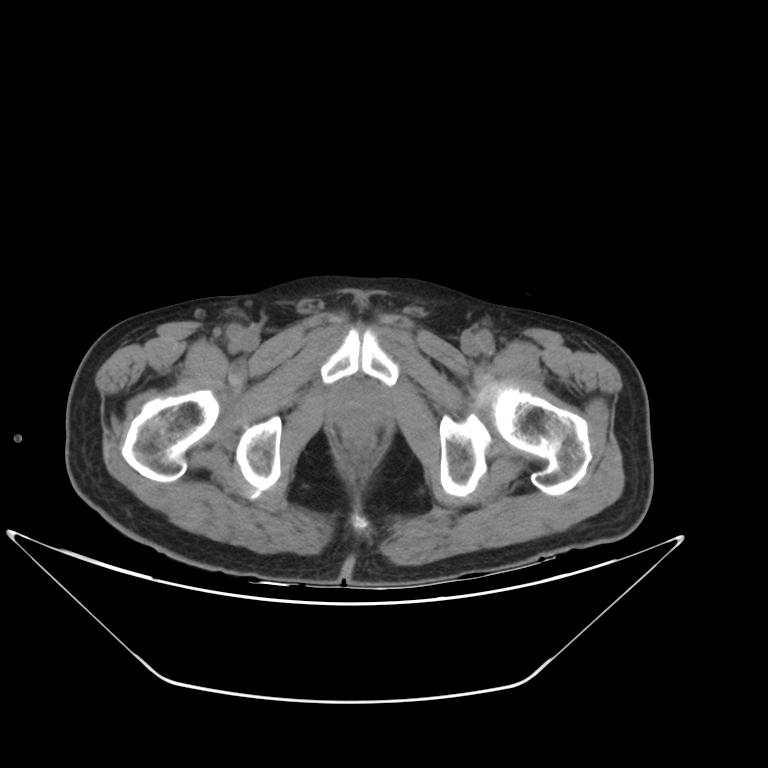
CT abdomen. axial view. acquired on Brilliance16
Boxes: x1 y1 x2 y2 (pixel coords, space-separated). 1 labeled organ on this slice — prostate/uterus at 332 384 387 431.